MRI, abdomen. coronal view. 1st–99th percentile window. 260x320 px. 13 organs annotated in this scan (counted over the whole 3D scan, not this slice; an organ is boxed only where this slice passes through it)
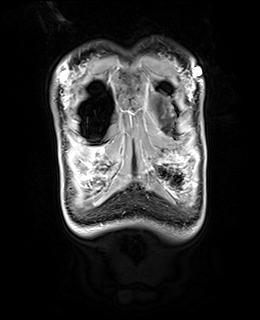
<organs><organ name="stomach" x1="164" y1="162" x2="181" y2="163"/></organs>